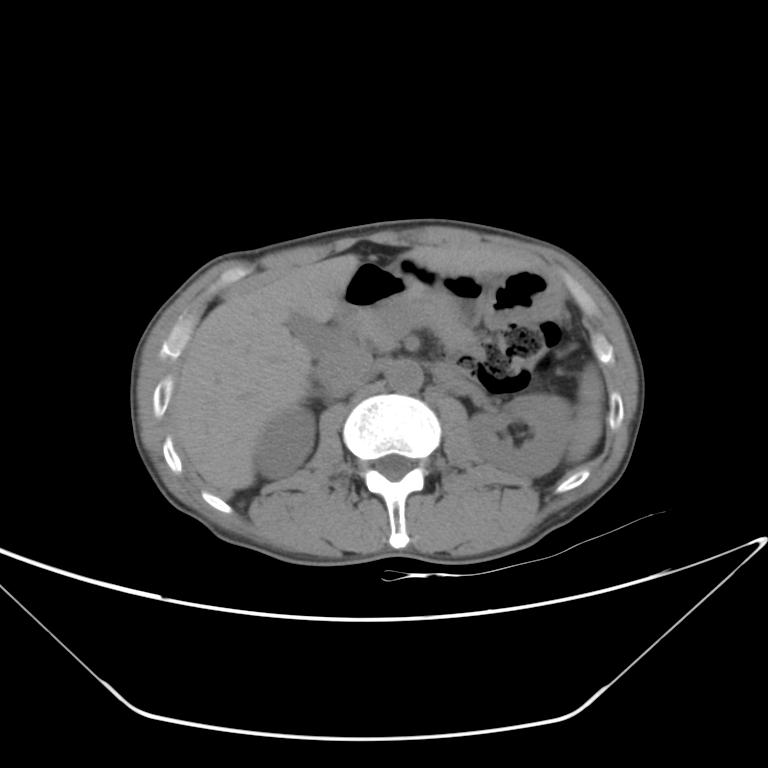
Computed tomography, abdomen; axial view; 768x768 px; Brilliance16 scanner
Bounding boxes as [x1, y1, x2, y2] in pixel coordinates. The annotated organs in this slice are: gall bladder at [288, 314, 329, 357], stomach at [345, 257, 562, 327], duodenum at [320, 294, 365, 358], left kidney at [466, 394, 572, 478], liver at [169, 245, 532, 496], pancreas at [352, 294, 476, 351], spleen at [566, 365, 604, 462], inferior vena cava at [320, 349, 375, 393], right kidney at [254, 406, 315, 478], aorta at [386, 360, 422, 393].